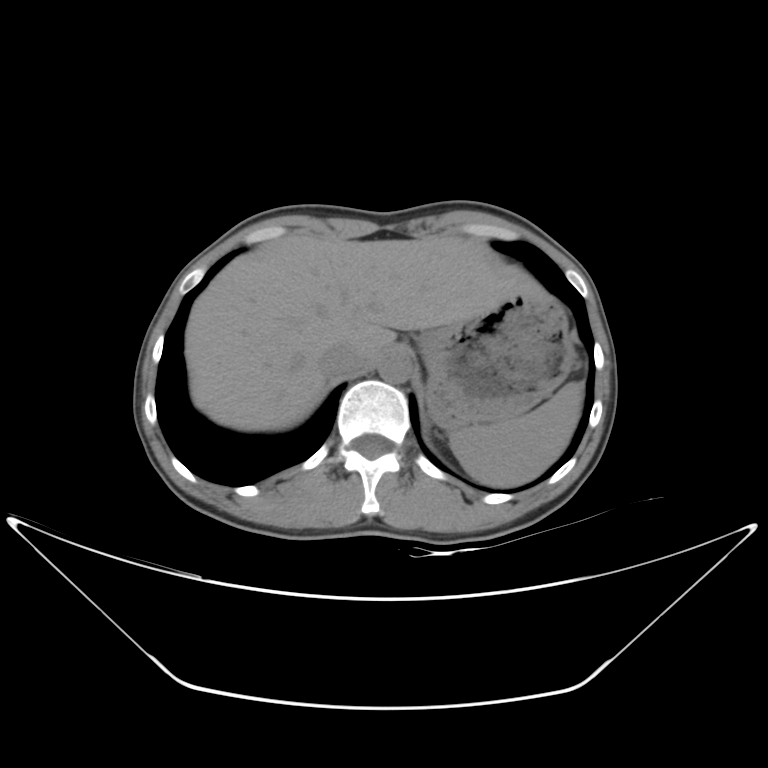 CT, abdomen/pelvis — axial view — soft-tissue window — 30-year-old male patient
Boxes are (x1, y1, x2, y2) in pixels.
Organ bounding boxes:
- spleen: (449, 381, 583, 486)
- liver: (184, 235, 541, 431)
- stomach: (419, 291, 574, 429)
- aorta: (378, 353, 411, 383)
- inferior vena cava: (318, 343, 365, 376)